CT, abdomen/pelvis; axial view; soft-tissue window; 512x512 px
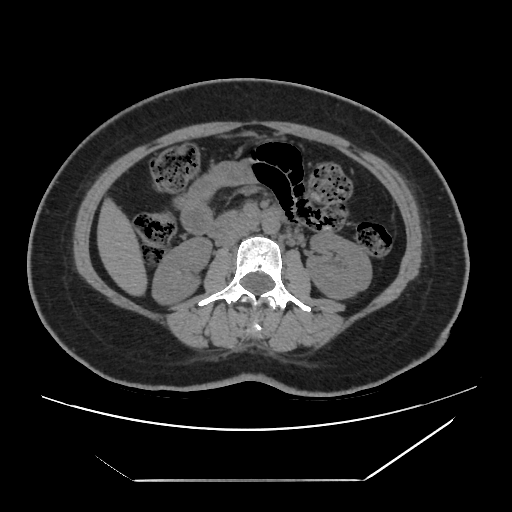 <organs><organ name="duodenum" x1="208" y1="208" x2="280" y2="241"/><organ name="aorta" x1="262" y1="216" x2="280" y2="233"/><organ name="inferior vena cava" x1="218" y1="227" x2="251" y2="246"/><organ name="right kidney" x1="151" y1="237" x2="210" y2="302"/><organ name="left kidney" x1="307" y1="232" x2="372" y2="298"/><organ name="liver" x1="98" y1="202" x2="146" y2="294"/></organs>